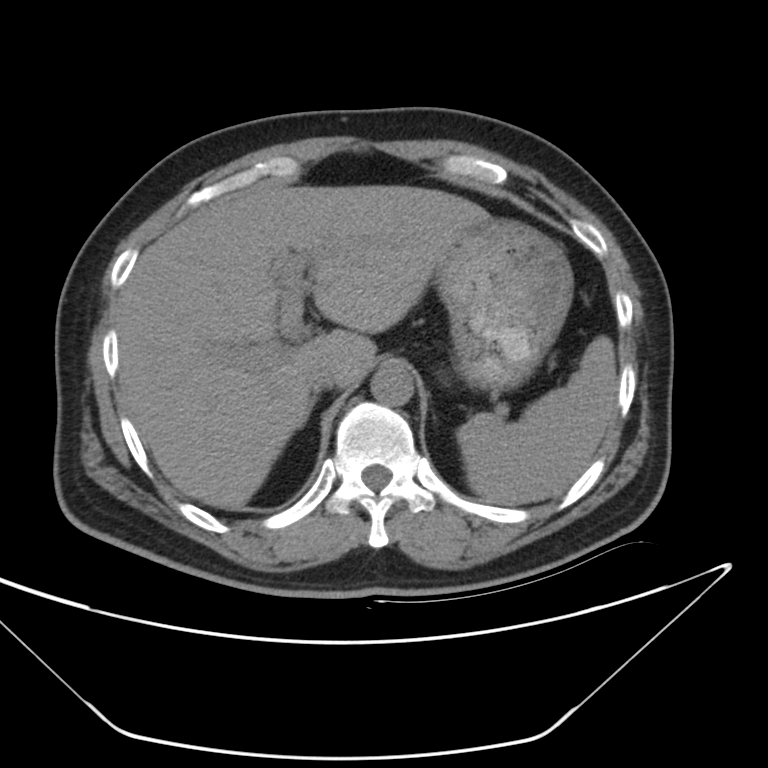

Abdominal CT. axial view. 768x768 px. 50-year-old male patient
Boxes are (x1, y1, x2, y2) in pixels.
stomach: (436, 210, 571, 390)
spleen: (455, 336, 617, 504)
right adrenal gland: (297, 398, 314, 428)
aorta: (372, 362, 414, 407)
inferior vena cava: (304, 357, 339, 390)
liver: (117, 184, 482, 510)